Abdominal MR — axial view — acquired on Prisma
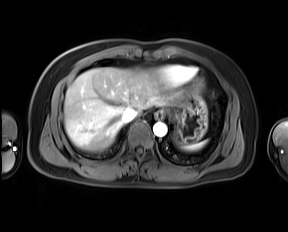 {"organs":{"spleen":[181,140,207,150],"esophagus":[155,111,163,119],"liver":[64,67,176,151],"stomach":[168,96,207,142],"aorta":[153,122,167,136],"inferior vena cava":[122,108,137,122]}}